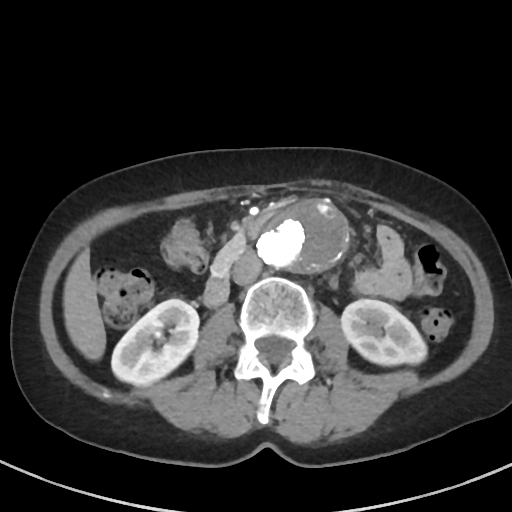
CT, abdomen/pelvis. axial plane, index 44. 512x512 px
Boxes: x1:y1:x2:y2 in pixels.
Organ bounding boxes:
- right kidney: 111:299:198:385
- left kidney: 341:299:426:365
- liver: 63:249:106:360
- aorta: 256:199:350:271
- inferior vena cava: 233:251:261:284
- pancreas: 211:235:245:276
- duodenum: 202:223:263:307